CT abdomen. axial plane, index 30. 768x768 px. 62-year-old male patient. acquired on Brilliance16
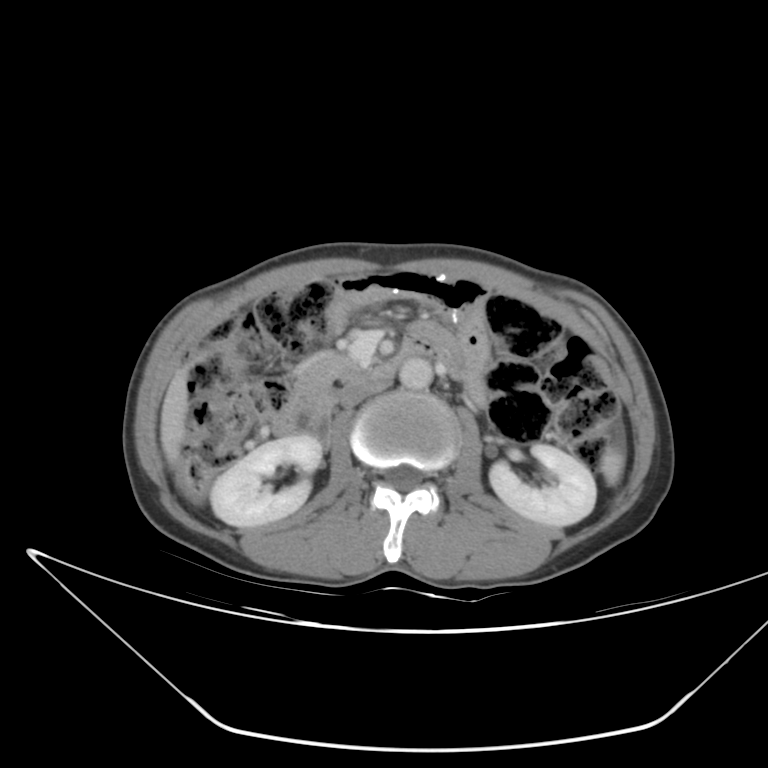

{"organs":{"aorta":[398,358,432,390],"pancreas":[295,351,356,397],"left kidney":[489,443,595,525],"inferior vena cava":[340,381,394,410],"duodenum":[276,335,451,446],"spleen":[602,449,623,483],"liver":[161,373,188,461],"right kidney":[208,435,323,526]}}